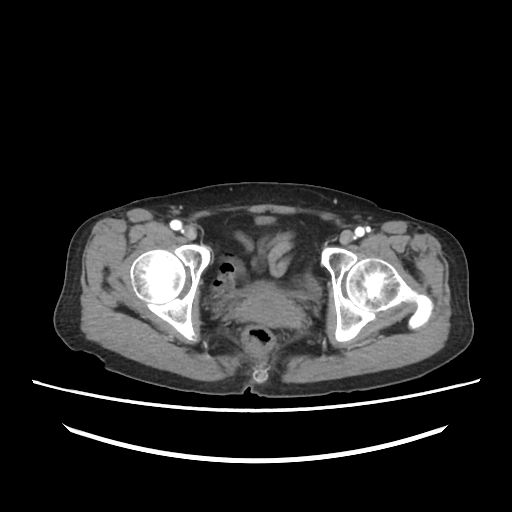 CT abdomen · axial plane, index 18 · 62-year-old female patient
<organs><organ name="bladder" x1="228" y1="217" x2="320" y2="298"/><organ name="prostate/uterus" x1="236" y1="290" x2="301" y2="327"/></organs>